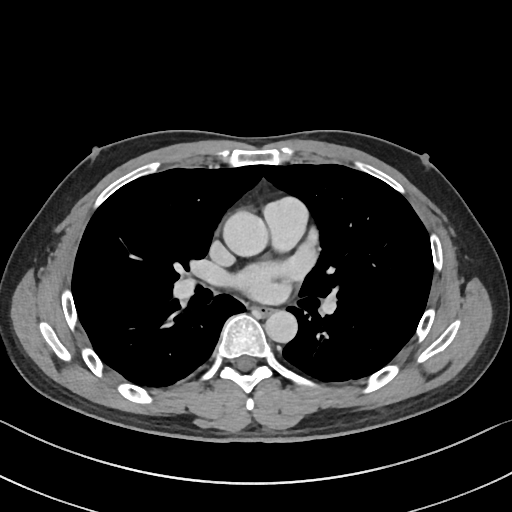 Abdominal CT reaching into the chest; this slice is in the chest — axial view — soft-tissue window — 512x512 px — scan has 15 labeled organs (that count is for the whole scan; organs this slice misses have no box)
On a slice this high in the chest, this dataset labels only the esophagus and the aorta, and each is boxed only where it is labeled; the heart, lungs and other chest structures are not labeled.
Bounding boxes in pixels, one row per box: x1, y1 is the top-left corner and x2, y2 the bottom-right.
| organ | x1 | y1 | x2 | y2 |
|---|---|---|---|---|
| esophagus | 253 | 306 | 271 | 315 |
| aorta | 223 | 211 | 268 | 256 |
| aorta | 265 | 310 | 297 | 343 |